CT, abdomen/pelvis · axial view
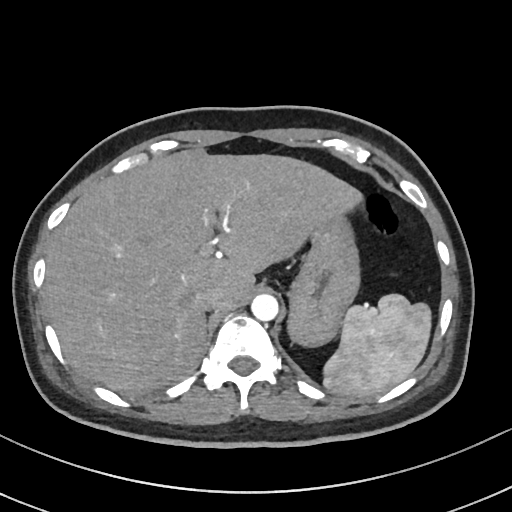 Box edges are left/top/right/bottom in pixels.
Organ bounding boxes:
- inferior vena cava: left=194, top=286, right=222, bottom=310
- liver: left=44, top=149, right=361, bottom=396
- aorta: left=251, top=294, right=278, bottom=321
- spleen: left=323, top=295, right=429, bottom=396
- stomach: left=285, top=217, right=357, bottom=347